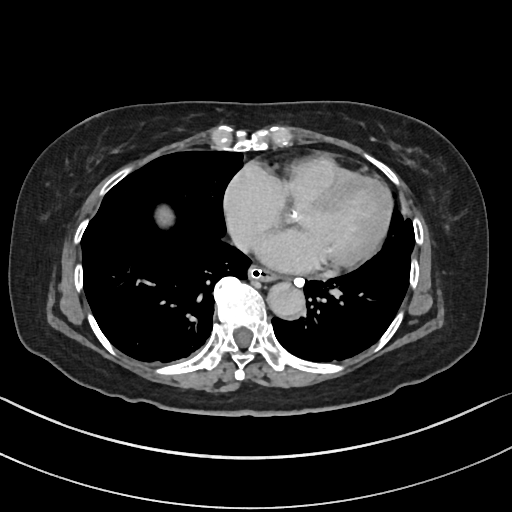
CT, abdomen/pelvis; Axial slice 205/212; 512x512 px; 15 organs annotated in this scan (a whole-scan count: organs this slice does not pass through have no box)
Bounding boxes in pixels, one row per box: x1, y1 is the top-left corner and x2, y2 the bottom-right.
| organ | x1 | y1 | x2 | y2 |
|---|---|---|---|---|
| esophagus | 250 | 266 | 280 | 282 |
| liver | 157 | 206 | 171 | 226 |
| aorta | 268 | 283 | 305 | 319 |
| inferior vena cava | 231 | 231 | 251 | 250 |